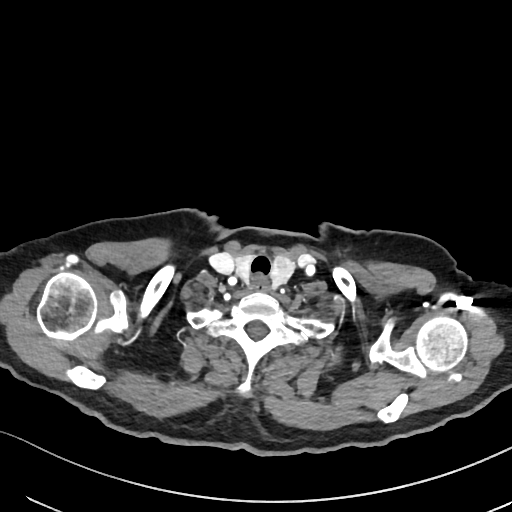
Chest-level CT slice, above the liver and spleen · axial view · soft-tissue window, W/L 400/40
At this level of the chest this dataset labels only the esophagus and the aorta, and each is boxed only where it is labeled; the heart and lungs are never labeled.
{"organs":{"esophagus":[252,276,268,290]}}